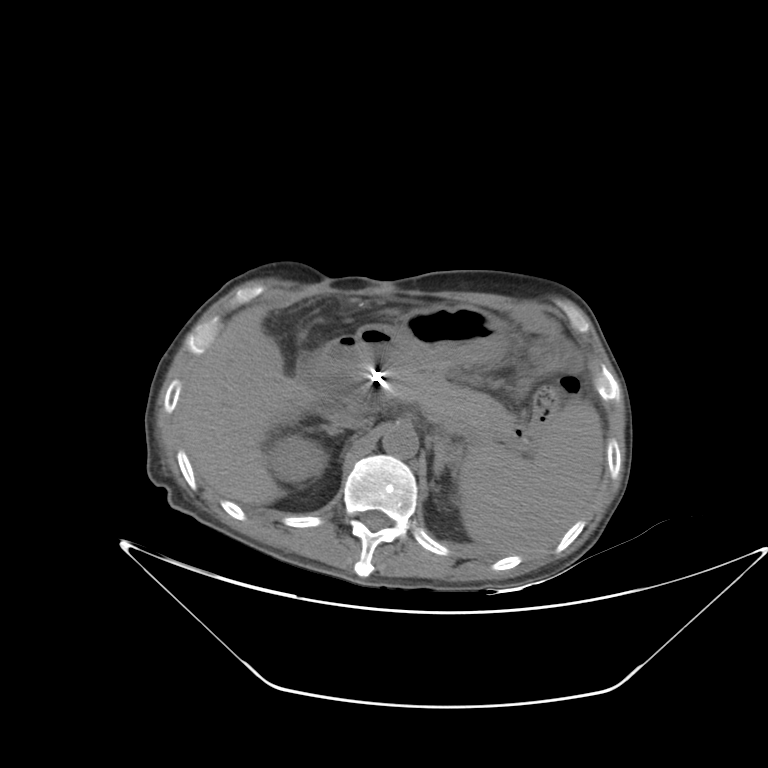

CT abdomen — axial view — 14 organs annotated in this scan (a whole-scan count: organs this slice does not pass through have no box)
<organs><organ name="spleen" x1="458" y1="400" x2="603" y2="554"/><organ name="right kidney" x1="267" y1="435" x2="327" y2="483"/><organ name="liver" x1="175" y1="305" x2="319" y2="505"/><organ name="stomach" x1="355" y1="305" x2="510" y2="371"/><organ name="aorta" x1="382" y1="426" x2="417" y2="458"/><organ name="inferior vena cava" x1="327" y1="412" x2="367" y2="430"/><organ name="pancreas" x1="382" y1="363" x2="515" y2="440"/><organ name="right adrenal gland" x1="319" y1="426" x2="338" y2="435"/><organ name="left adrenal gland" x1="433" y1="438" x2="450" y2="478"/><organ name="duodenum" x1="305" y1="336" x2="382" y2="407"/></organs>